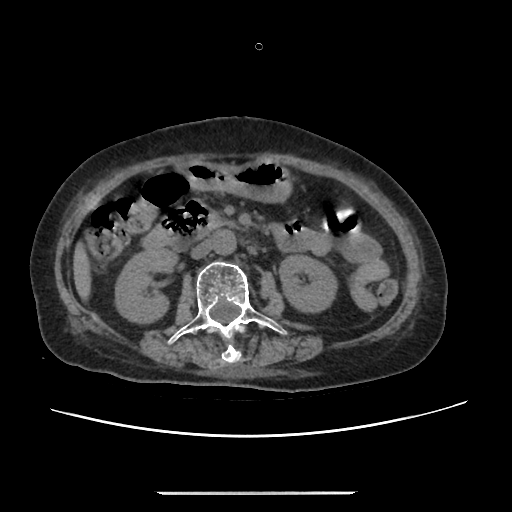
Abdominal CT — axial view — W/L 400/40 HU — 512x512 px
Boxes: x1:y1:x2:y2 in pixels. The annotated organs in this slice are: right kidney at 115:248:176:324, left kidney at 279:255:338:313, liver at 73:242:92:297, stomach at 183:161:292:202, aorta at 213:230:236:255, inferior vena cava at 190:240:213:258, pancreas at 210:212:236:228, duodenum at 142:197:211:249.